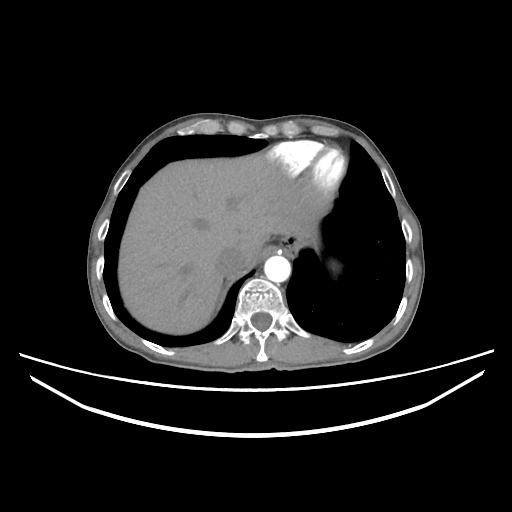
CT abdomen; axial view; acquired on Aquilion ONE; 14 organs annotated in this scan (a whole-scan count: organs this slice does not pass through have no box)
Organ boxes in pixel coordinates; each row gives the top-left (x1, y1) and bottom-right (x2, y2) corners.
| organ | x1 | y1 | x2 | y2 |
|---|---|---|---|---|
| liver | 118 | 154 | 326 | 334 |
| aorta | 264 | 256 | 290 | 282 |
| inferior vena cava | 216 | 248 | 247 | 275 |